CT abdomen. Axial slice 203/297. 512x512 px. 15 organs annotated in this scan (a whole-scan count: organs this slice does not pass through have no box)
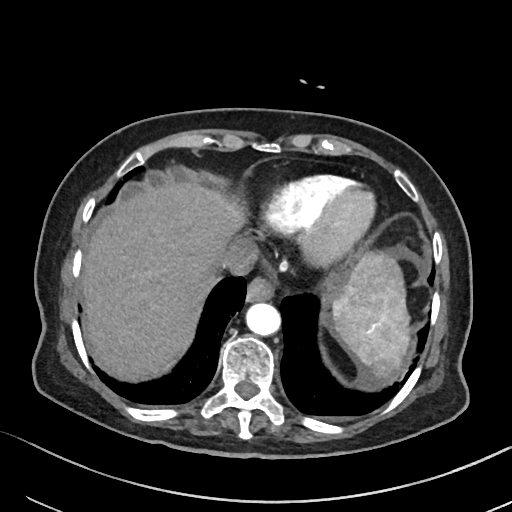

Boxes: x1:y1:x2:y2 in pixels. 6 labeled organs on this slice — spleen at 333:252:410:380; esophagus at 246:279:273:303; liver at 81:184:395:379; stomach at 323:269:351:303; aorta at 247:303:281:336; inferior vena cava at 220:239:258:276.